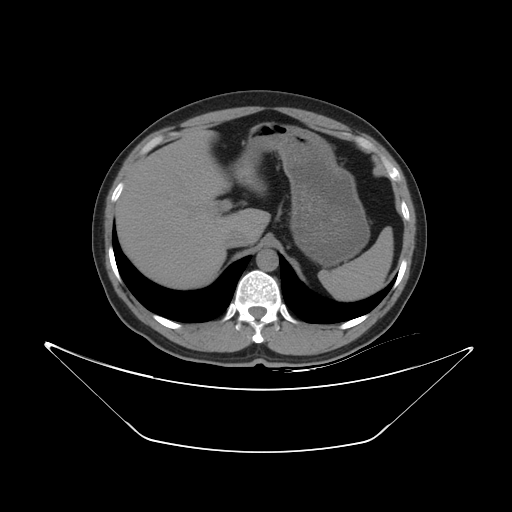
Computed tomography, abdomen; axial view; soft-tissue window (W 400 / L 40); 41-year-old male patient; Brilliance16 scanner
<organs><organ name="inferior vena cava" x1="224" y1="230" x2="248" y2="247"/><organ name="stomach" x1="240" y1="122" x2="370" y2="266"/><organ name="liver" x1="116" y1="129" x2="270" y2="288"/><organ name="spleen" x1="317" y1="227" x2="393" y2="300"/><organ name="aorta" x1="256" y1="249" x2="278" y2="271"/></organs>